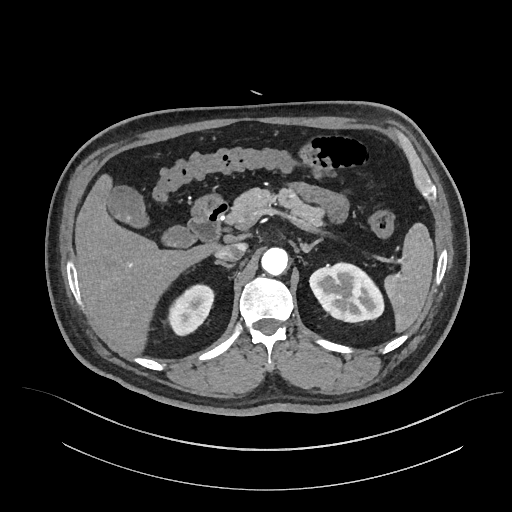
CT abdomen; axial view; soft-tissue window (W 400 / L 40)
<organs><organ name="duodenum" x1="188" y1="201" x2="228" y2="241"/><organ name="gall bladder" x1="107" y1="185" x2="193" y2="247"/><organ name="inferior vena cava" x1="215" y1="243" x2="246" y2="261"/><organ name="aorta" x1="261" y1="247" x2="288" y2="275"/><organ name="right adrenal gland" x1="215" y1="260" x2="233" y2="268"/><organ name="pancreas" x1="226" y1="188" x2="324" y2="224"/><organ name="liver" x1="75" y1="174" x2="218" y2="354"/><organ name="stomach" x1="190" y1="194" x2="223" y2="219"/><organ name="left adrenal gland" x1="300" y1="239" x2="321" y2="252"/><organ name="left kidney" x1="309" y1="263" x2="383" y2="322"/><organ name="right kidney" x1="168" y1="284" x2="213" y2="335"/><organ name="spleen" x1="384" y1="223" x2="434" y2="332"/></organs>